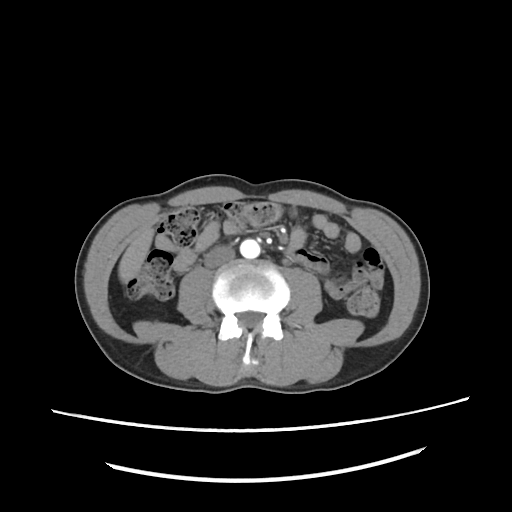

CT abdomen. axial view. W/L 400/40 HU. 55-year-old male patient
<organs><organ name="liver" x1="118" y1="229" x2="152" y2="283"/><organ name="aorta" x1="239" y1="238" x2="261" y2="258"/><organ name="inferior vena cava" x1="207" y1="244" x2="234" y2="266"/></organs>